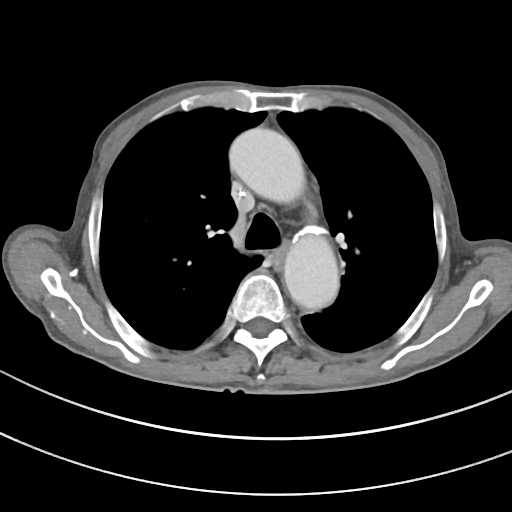

Chest-level CT slice, above the liver and spleen · axial view · 512x512 px
On a slice this high in the chest, this dataset labels only the esophagus and the aorta, and each is boxed only where it is labeled; the heart, lungs and other chest structures are not labeled.
Boxes: x1 y1 x2 y2 (pixel coords, space-separated).
Organ bounding boxes:
- aorta: 229 127 305 202
- aorta: 284 235 339 310
- esophagus: 273 245 287 270